CT, abdomen/pelvis; axial plane, index 36; abdomen soft-tissue window; scan has 15 labeled organs (counted over the whole 3D scan, not this slice; an organ is boxed only where this slice passes through it)
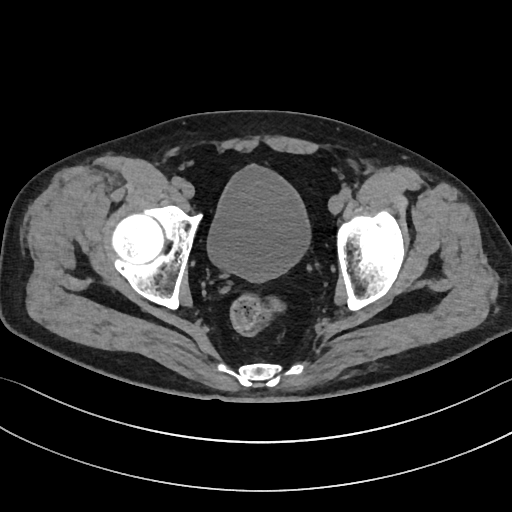

Coordinates as <box>x1,y1,x2,y2</box> in pixels. The annotated organs in this slice are: bladder at <box>207,165,310,281</box>.